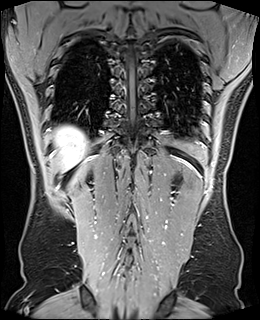
Abdominal MR; coronal view; 260x320 px; Prisma scanner
{"organs":{"liver":[54,126,86,171]}}